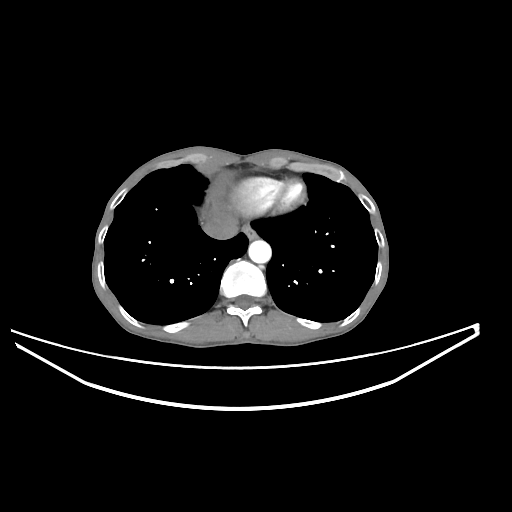 CT, abdomen/pelvis. axial view. abdomen soft-tissue window. scan has 15 labeled organs (that count is for the whole scan; organs this slice misses have no box)
One row per box, in pixels: columns x1 and y1 give the top-left corner, x2 and y2 the bottom-right.
| organ | x1 | y1 | x2 | y2 |
|---|---|---|---|---|
| esophagus | 242 | 223 | 257 | 239 |
| liver | 202 | 208 | 226 | 216 |
| aorta | 248 | 240 | 271 | 263 |
| inferior vena cava | 203 | 213 | 238 | 239 |